CT of the abdomen reaching into the lower chest, slice just above the liver and spleen. axial plane, index 92. soft-tissue window. 14 organs annotated in this scan (a whole-scan count: organs this slice does not pass through have no box)
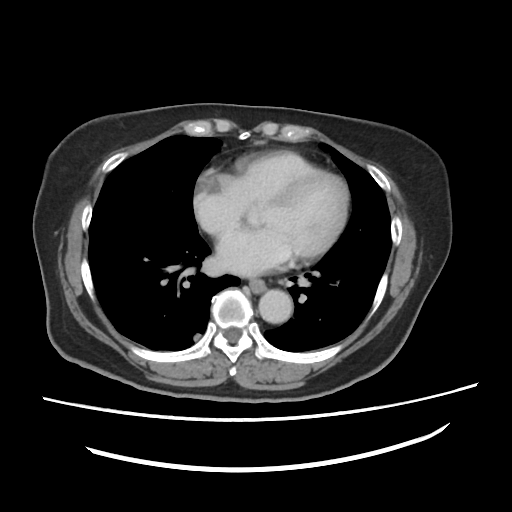 Of the structures in the chest, this dataset labels only the esophagus, the aorta and the inferior vena cava; the heart and lungs have no label.
Boxes: x1:y1:x2:y2 in pixels.
esophagus: 247:278:267:293
aorta: 258:290:292:322